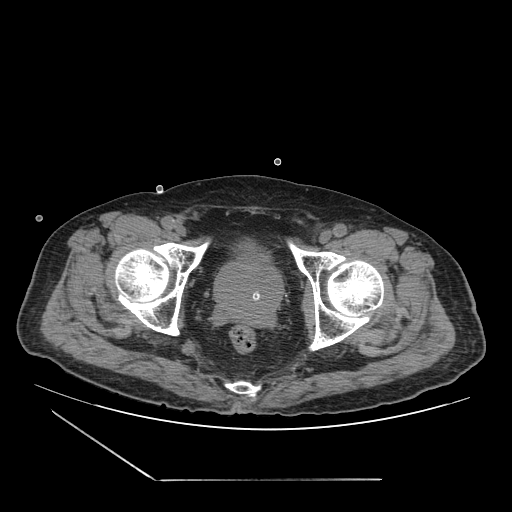

Abdominal CT; axial plane, index 26; 512x512 px; scan has 15 labeled organs (counted over the whole 3D scan, not this slice; an organ is boxed only where this slice passes through it)
<organs><organ name="bladder" x1="238" y1="241" x2="264" y2="260"/><organ name="prostate/uterus" x1="214" y1="259" x2="282" y2="319"/></organs>